CT, abdomen/pelvis — axial view — 512x512 px
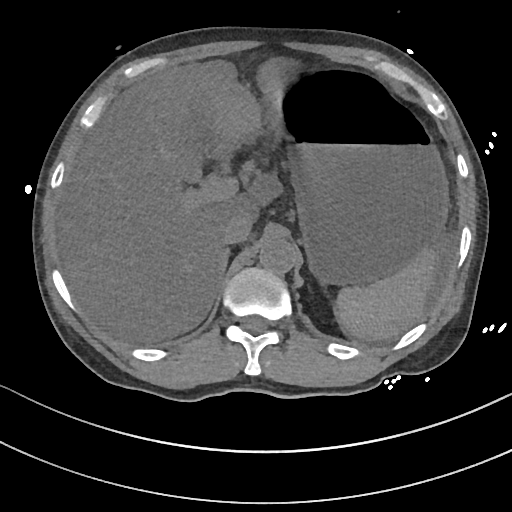 Bounding boxes as [x1, y1, x2, y2] in pixel coordinates.
Organ bounding boxes:
- spleen: [334, 249, 436, 340]
- aorta: [259, 238, 297, 274]
- gall bladder: [206, 139, 231, 161]
- inferior vena cava: [222, 214, 251, 244]
- stomach: [281, 69, 448, 285]
- liver: [57, 58, 289, 343]